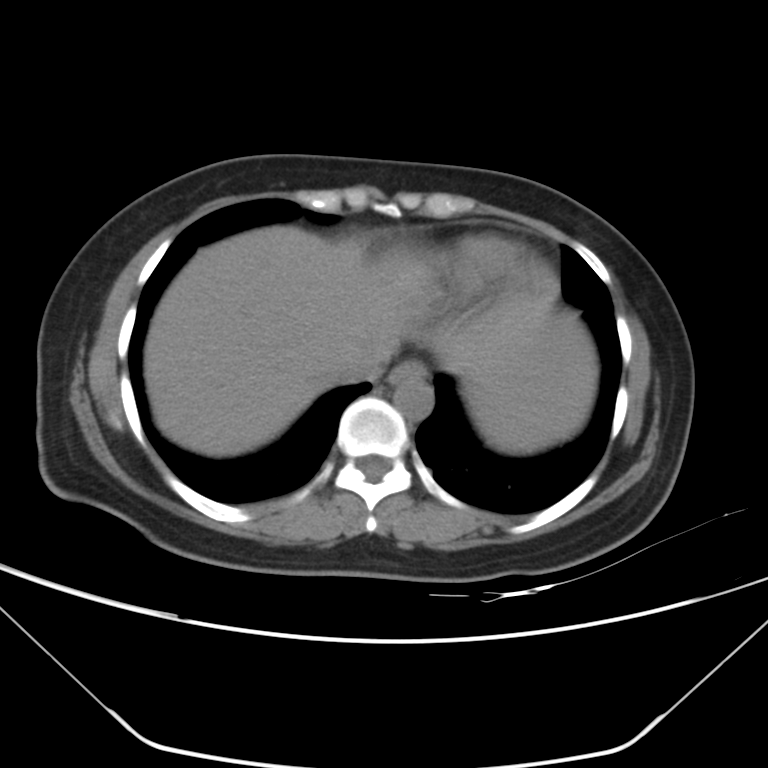

Abdominal CT · axial view · soft-tissue window · 32-year-old female patient · scan has 15 labeled organs (that count is for the whole scan; organs this slice misses have no box)
Boxes: x1:y1:x2:y2 in pixels.
liver: 144:225:598:456
esophagus: 387:360:425:385
spleen: 465:384:559:454
aorta: 394:377:432:419
inferior vena cava: 333:342:390:381